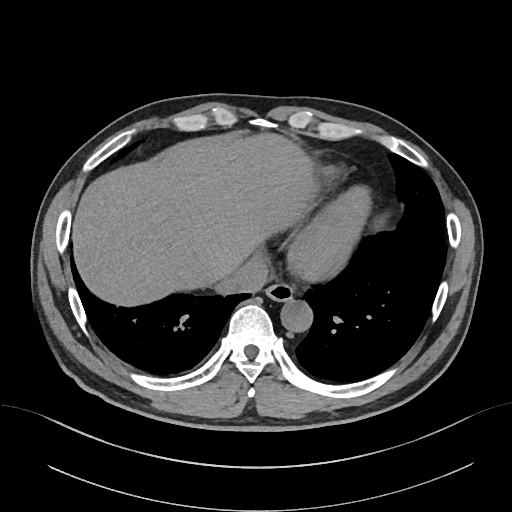 CT abdomen; axial view
Boxes: x1 y1 x2 y2 (pixel coords, space-separated).
esophagus: 265 283 294 301
liver: 72 132 317 305
aorta: 280 300 312 332
inferior vena cava: 218 256 268 293